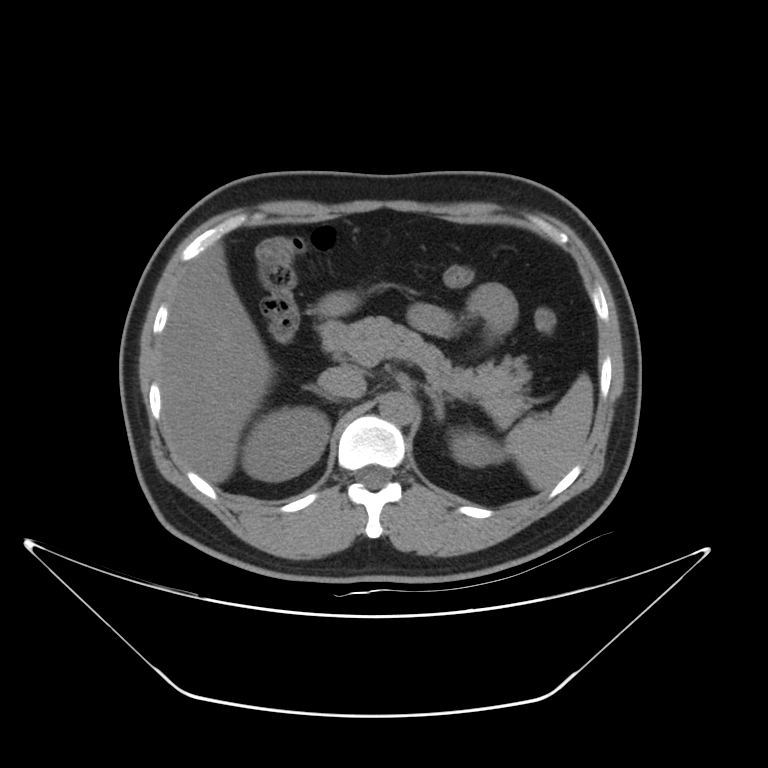
CT, abdomen/pelvis; axial view; 768x768 px; 40-year-old male patient; acquired on Brilliance16
Coordinates as <box>x1,y1,x2,y2</box> in pixels.
Organ bounding boxes:
- left adrenal gland: <box>425,388,444,420</box>
- right adrenal gland: <box>305,385,335,401</box>
- duodenum: <box>318,320,344,351</box>
- stomach: <box>318,291,359,316</box>
- spleen: <box>505,374,593,490</box>
- right kidney: <box>242,410,329,481</box>
- left kidney: <box>450,429,504,465</box>
- liver: <box>158,244,269,482</box>
- aorta: <box>379,392,415,424</box>
- pancreas: <box>340,316,530,424</box>
- inferior vena cava: <box>318,366,366,398</box>